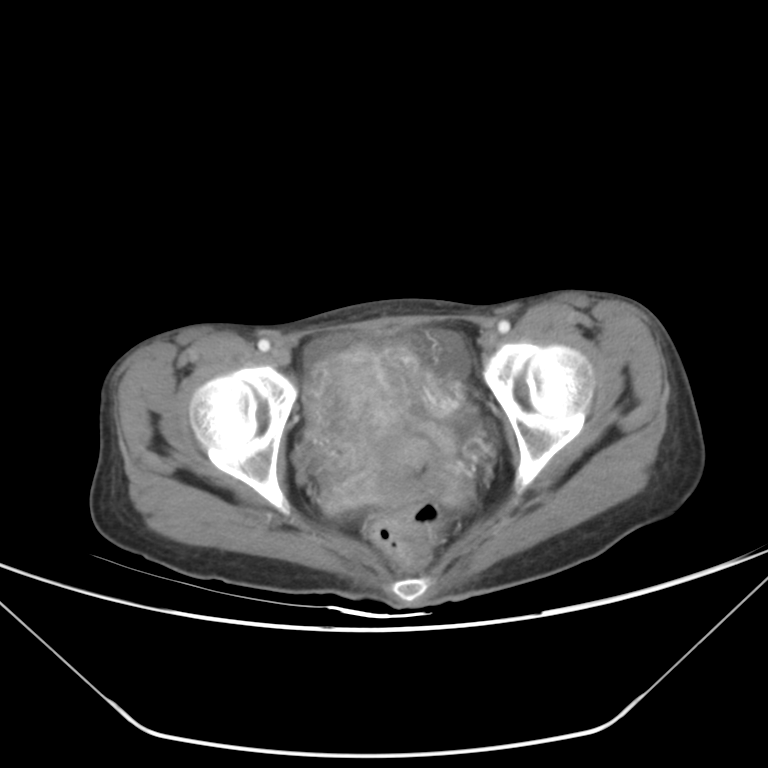

Abdominal CT; axial view; soft-tissue window; 32-year-old female patient; 15 organs annotated in this scan (counted over the whole 3D scan, not this slice; an organ is boxed only where this slice passes through it)
Box edges are left/top/right/bottom in pixels.
Organ bounding boxes:
- prostate/uterus: left=311, top=350, right=410, bottom=504